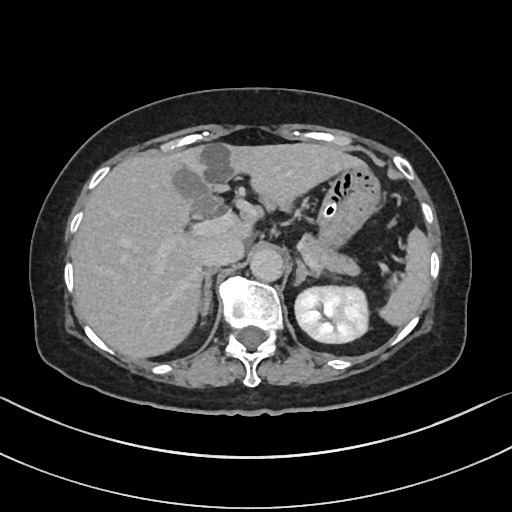
CT abdomen · Axial slice 168/212 · W/L 400/40 HU
Bounding boxes as [x1, y1, x2, y2] in pixel coordinates.
Organ bounding boxes:
- spleen: [380, 228, 428, 327]
- left kidney: [295, 287, 366, 342]
- gall bladder: [174, 167, 212, 210]
- liver: [72, 141, 365, 359]
- stomach: [315, 166, 379, 250]
- aorta: [250, 248, 283, 282]
- inferior vena cava: [203, 237, 244, 266]
- pancreas: [304, 240, 360, 277]
- right adrenal gland: [202, 268, 217, 315]
- left adrenal gland: [295, 261, 318, 285]